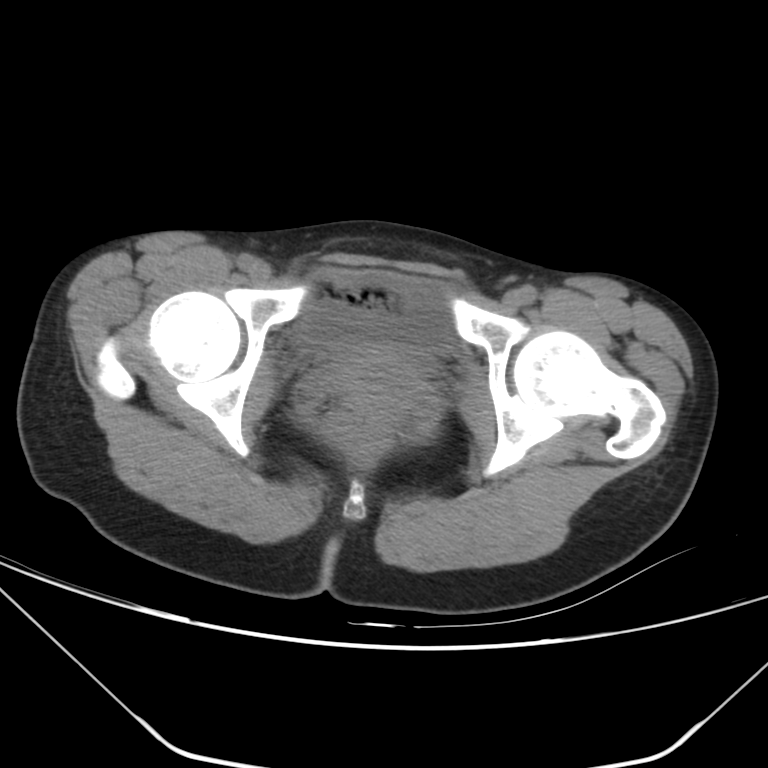 Computed tomography, abdomen · Axial slice 6/68
Box edges are left/top/right/bottom in pixels.
bladder: left=297, top=278, right=451, bottom=355
prostate/uterus: left=352, top=373, right=410, bottom=411